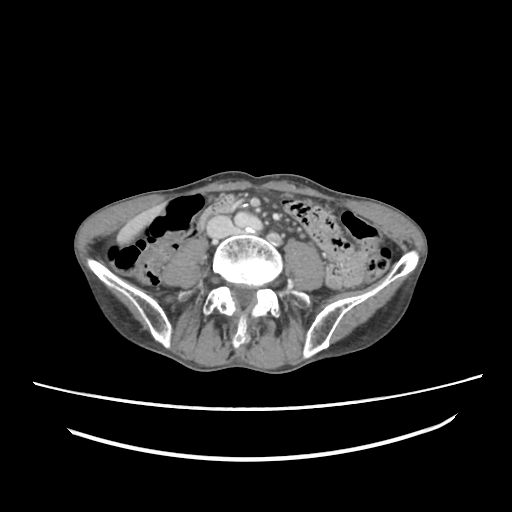

CT, abdomen/pelvis — axial view — abdomen soft-tissue window — 15 organs annotated in this scan (counted over the whole 3D scan, not this slice; an organ is boxed only where this slice passes through it)
{"organs":{"liver":[118,204,164,243],"aorta":[234,212,262,231],"duodenum":[196,195,233,231]}}